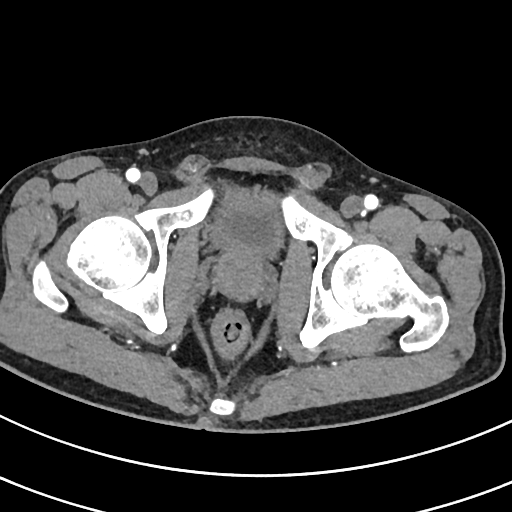 CT, abdomen/pelvis · Axial slice 21/302 · abdomen soft-tissue window · SOMATOM Force scanner
Box edges are left/top/right/bottom in pixels. Labeled organs on this slice: bladder at left=206, top=182, right=286, bottom=257, prostate/uterus at left=215, top=251, right=263, bottom=297.